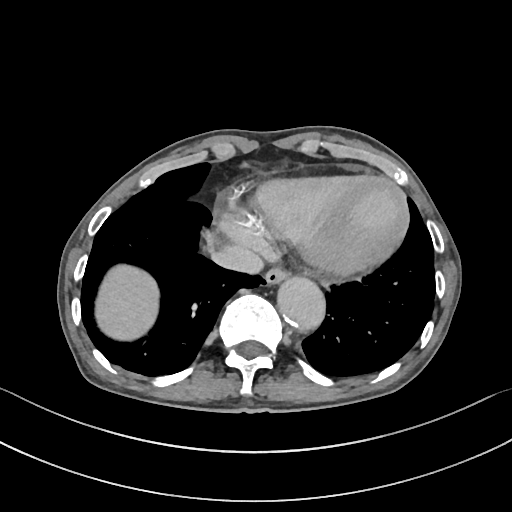 CT abdomen — Axial slice 191/204 — 512x512 px
One row per box, in pixels: columns x1 and y1 give the top-left corner, x2 and y2 the bottom-right.
| organ | x1 | y1 | x2 | y2 |
|---|---|---|---|---|
| esophagus | 264 | 266 | 288 | 284 |
| aorta | 277 | 276 | 325 | 330 |
| inferior vena cava | 211 | 244 | 263 | 273 |
| liver | 95 | 265 | 158 | 340 |